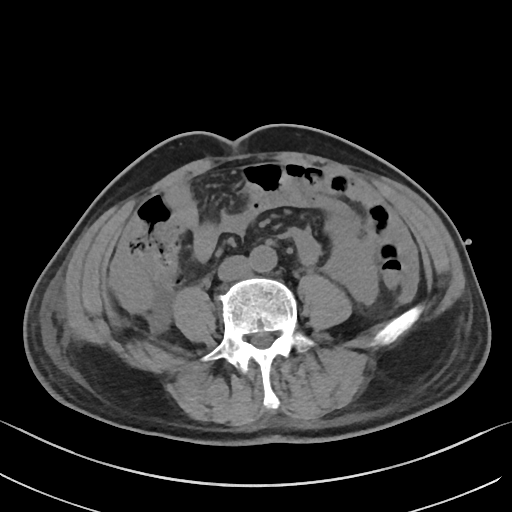
Abdominal CT. axial plane, index 39. scan has 15 labeled organs (that count is for the whole scan; organs this slice misses have no box)
Each box given as x1,y1,x2,y2. The annotated organs in this slice are: aorta at x1=248, y1=245, x2=277, y2=272, inferior vena cava at x1=217, y1=255, x2=250, y2=280.